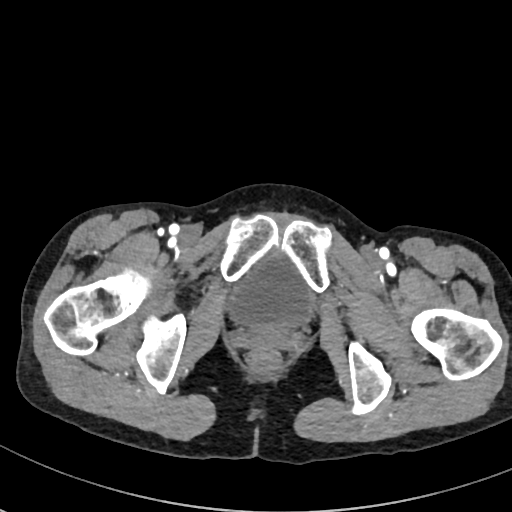
CT abdomen · axial view · W/L 400/40 HU · 512x512 px
{"organs":{"bladder":[230,253,311,326]}}